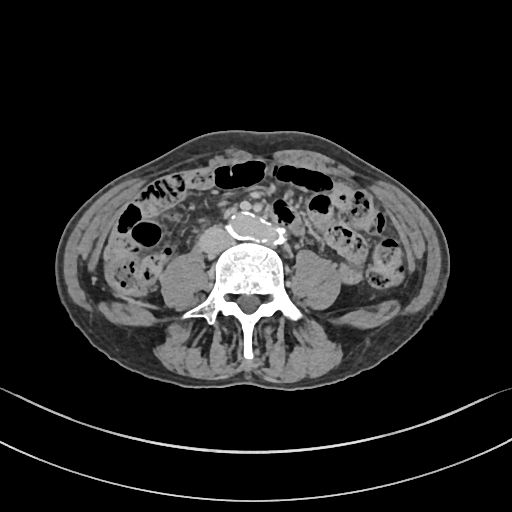

Computed tomography, abdomen; Axial slice 109/204; soft-tissue window (W 400 / L 40)
Each box given as x1,y1,x2,y2.
inferior vena cava: x1=200, y1=227, x2=230, y2=253
aorta: x1=227, y1=213, x2=287, y2=246